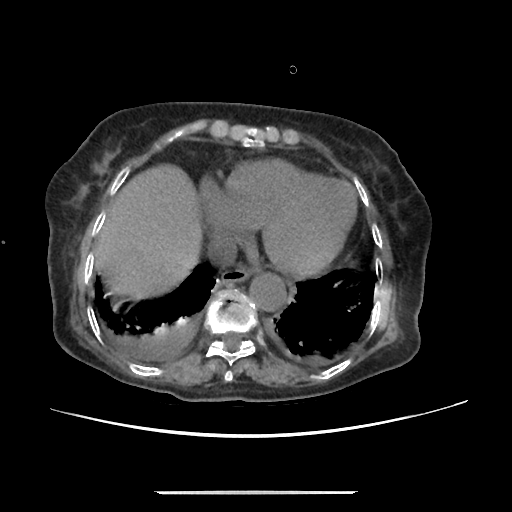
CT abdomen — axial plane, index 316 — W/L 400/40 HU — 512x512 px — scan has 14 labeled organs (a whole-scan count: organs this slice does not pass through have no box)
Boxes are (x1, y1, x2, y2) in pixels. The annotated organs in this slice are: esophagus at (223, 267, 250, 281), liver at (95, 163, 203, 299), aorta at (249, 273, 285, 310), inferior vena cava at (207, 234, 236, 267).